Abdominal CT · axial plane, index 10
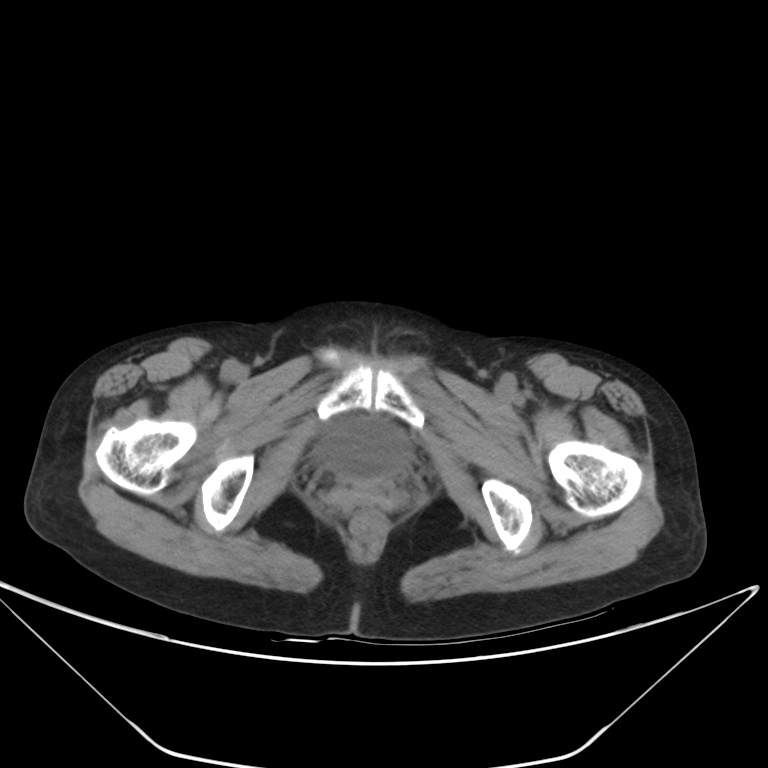
{"organs":{"bladder":[316,417,410,480]}}